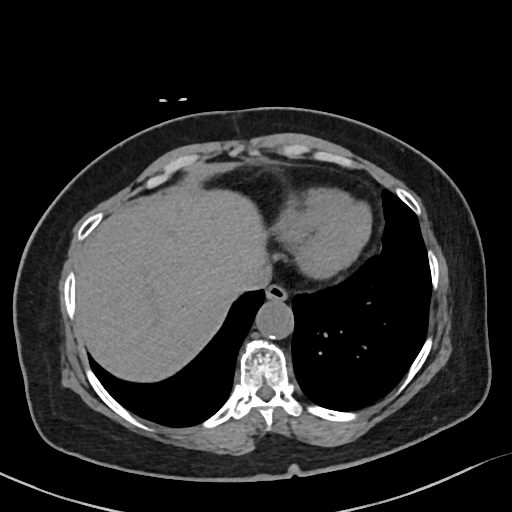 Abdominal CT · axial view · 512x512 px
{"organs":{"esophagus":[266,285,286,300],"liver":[77,189,267,381],"aorta":[255,301,293,339],"inferior vena cava":[235,265,271,292]}}